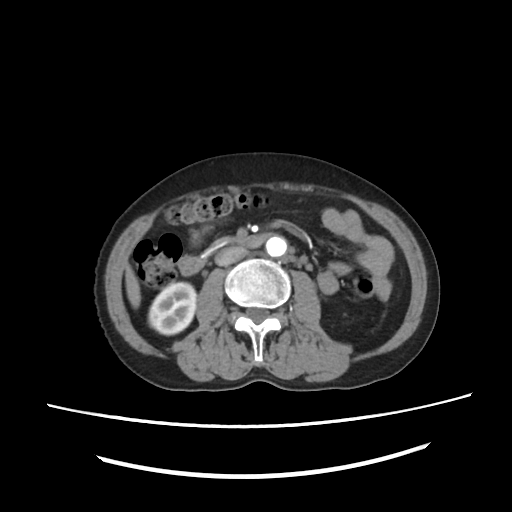
CT, abdomen/pelvis. axial view. abdomen soft-tissue window. 67-year-old male patient
{"organs":{"right kidney":[147,282,196,333],"liver":[126,267,139,308],"aorta":[266,234,288,256],"inferior vena cava":[214,248,250,266],"pancreas":[204,236,228,250],"duodenum":[176,232,270,275]}}